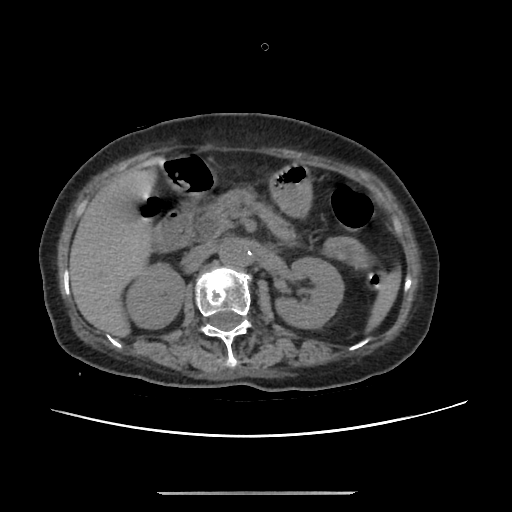
CT abdomen · axial view · soft-tissue window (W 400 / L 40) · 512x512 px
Boxes: x1:y1:x2:y2 in pixels.
Organ bounding boxes:
- spleen: 368:272:402:327
- right kidney: 124:260:184:328
- left kidney: 276:256:344:327
- liver: 69:159:156:335
- stomach: 165:163:309:214
- aorta: 219:238:248:266
- inferior vena cava: 187:243:209:260
- pancreas: 197:194:288:236
- duodenum: 149:153:212:252